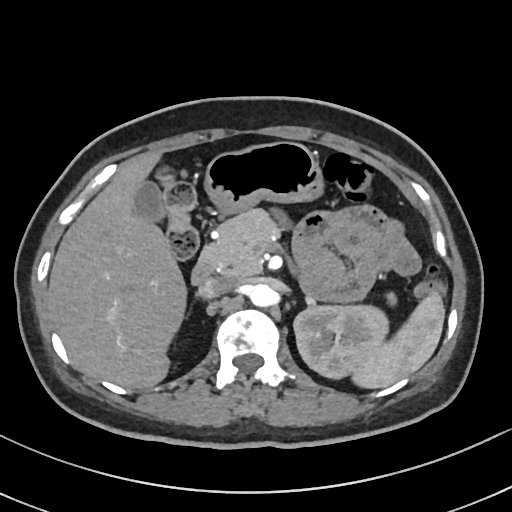 Abdominal CT — axial view — 512x512 px
Boxes are (x1, y1, x2, y2) in pixels.
spleen: (352, 291, 444, 388)
left kidney: (293, 305, 388, 378)
gall bladder: (134, 182, 164, 222)
liver: (48, 152, 186, 388)
stomach: (205, 141, 323, 214)
aorta: (248, 284, 275, 306)
inferior vena cava: (198, 276, 236, 299)
pancreas: (206, 209, 395, 304)
duodenum: (191, 246, 214, 284)